CT abdomen — axial view — abdomen soft-tissue window — acquired on SOMATOM Force
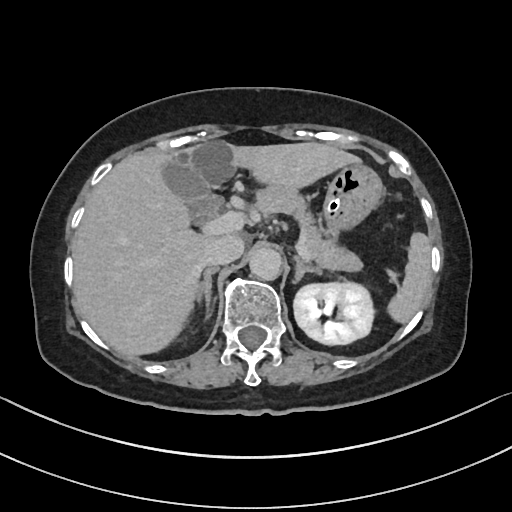

Boxes are (x1, y1, x2, y2) in pixels.
spleen: (387, 232, 430, 323)
left kidney: (294, 282, 374, 344)
gall bladder: (159, 156, 219, 221)
liver: (72, 141, 359, 356)
stomach: (323, 163, 382, 236)
aorta: (249, 247, 281, 280)
inferior vena cava: (203, 235, 244, 265)
pancreas: (254, 185, 362, 271)
right adrenal gland: (196, 267, 218, 316)
left adrenal gland: (294, 257, 321, 282)